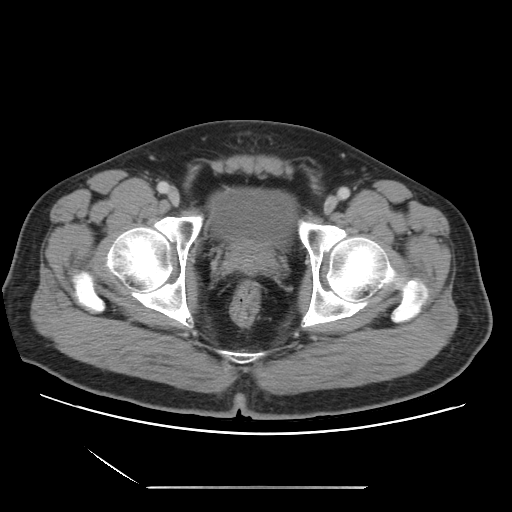 Computed tomography, abdomen; Axial slice 16/131; 512x512 px; 15 organs annotated in this scan (a whole-scan count: organs this slice does not pass through have no box)
<organs><organ name="bladder" x1="209" y1="188" x2="296" y2="245"/><organ name="prostate/uterus" x1="226" y1="238" x2="273" y2="272"/></organs>